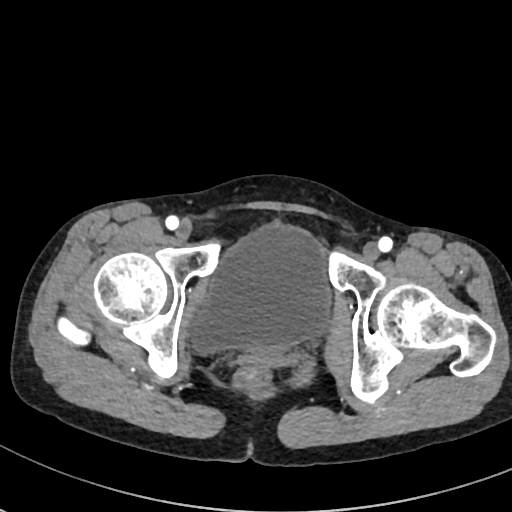 Abdominal CT — axial view — 512x512 px
{"organs":{"bladder":[190,222,329,351]}}